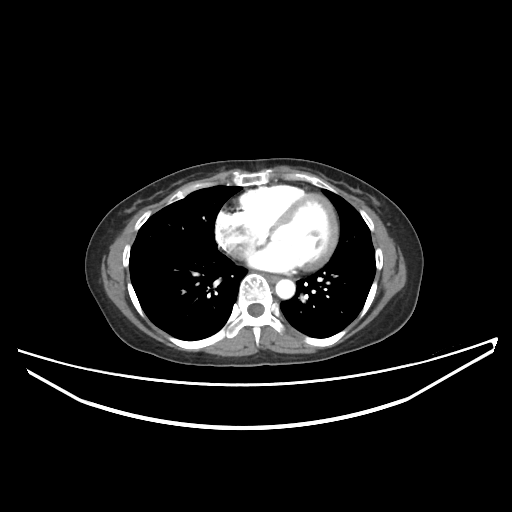 CT of the abdomen reaching into the lower chest, slice just above the liver and spleen — Axial slice 96/126 — Aquilion ONE scanner — 15 organs annotated in this scan (counted over the whole 3D scan, not this slice; an organ is boxed only where this slice passes through it)
No part of the heart or lungs is labeled in this dataset, so neither has a box here.
{"organs":{"esophagus":[267,275,279,281],"aorta":[275,279,295,298]}}